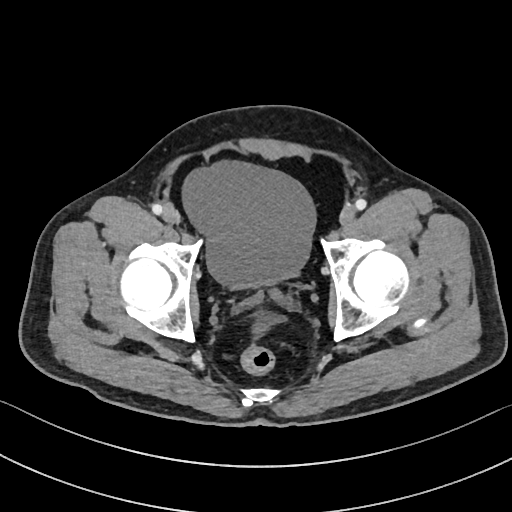

Computed tomography, abdomen; axial view; abdomen soft-tissue window; 512x512 px
Bounding boxes in pixels, one row per box: x1, y1 is the top-left corner and x2, y2 the bottom-right.
| organ | x1 | y1 | x2 | y2 |
|---|---|---|---|---|
| bladder | 181 | 159 | 314 | 289 |